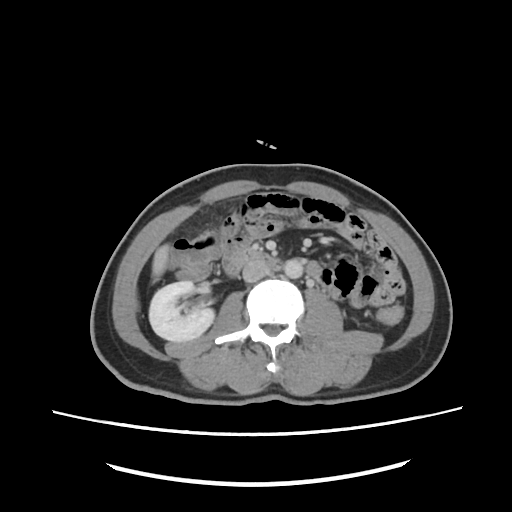 Computed tomography, abdomen · axial plane, index 53
Bounding boxes in pixels, one row per box: x1, y1 is the top-left corner and x2, y2 the bottom-right.
| organ | x1 | y1 | x2 | y2 |
|---|---|---|---|---|
| right kidney | 149 | 281 | 214 | 341 |
| liver | 152 | 244 | 169 | 280 |
| aorta | 283 | 258 | 303 | 278 |
| inferior vena cava | 242 | 260 | 270 | 282 |
| duodenum | 237 | 249 | 282 | 270 |